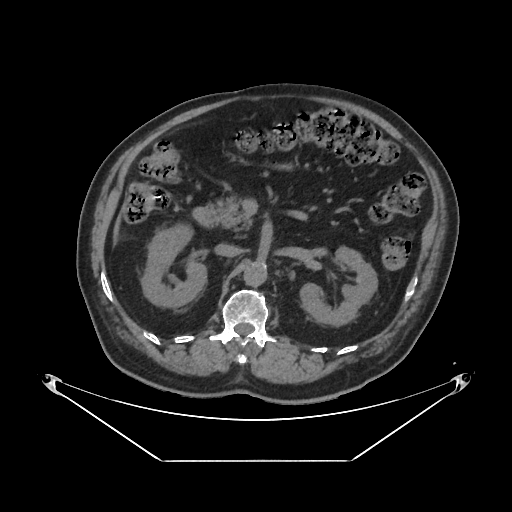

CT, abdomen/pelvis; axial view; W/L 400/40 HU; 512x512 px; SOMATOM Force scanner
Bounding boxes in pixels, one row per box: x1, y1 is the top-left corner and x2, y2 the bottom-right.
| organ | x1 | y1 | x2 | y2 |
|---|---|---|---|---|
| right kidney | 141 | 224 | 206 | 307 |
| liver | 113 | 216 | 120 | 244 |
| duodenum | 192 | 204 | 215 | 226 |
| pancreas | 215 | 196 | 252 | 228 |
| aorta | 244 | 262 | 267 | 286 |
| inferior vena cava | 214 | 243 | 240 | 257 |
| left kidney | 300 | 246 | 377 | 326 |